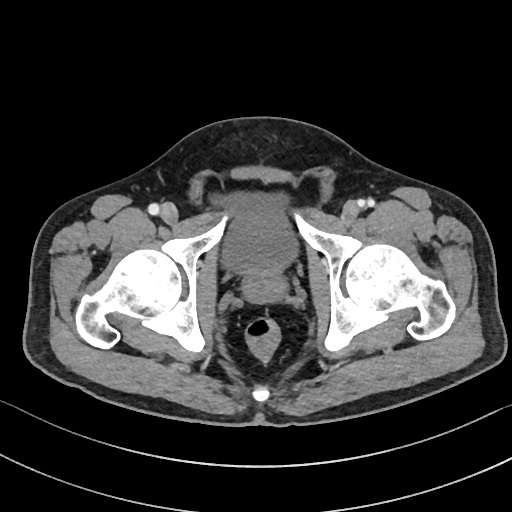
Computed tomography, abdomen. axial view. 512x512 px. acquired on SOMATOM Force
Boxes are (x1, y1, x2, y2) in pixels. 2 labeled organs on this slice — bladder at (213, 193, 297, 272); prostate/uterus at (243, 270, 286, 302).